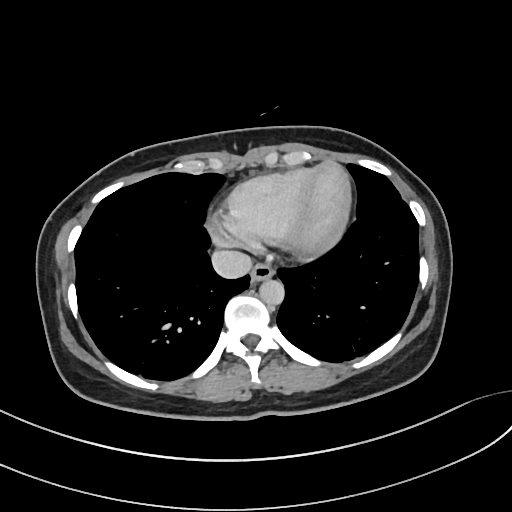

Abdominal CT; this slice is in the lower chest, just above the liver — axial view — soft-tissue window (W 400 / L 40) — SOMATOM Force scanner
Of the structures in the chest, this dataset labels only the esophagus, the aorta and the inferior vena cava; the heart and lungs have no label.
{"organs":{"esophagus":[250,263,273,282],"aorta":[259,279,284,305],"inferior vena cava":[211,250,252,278]}}